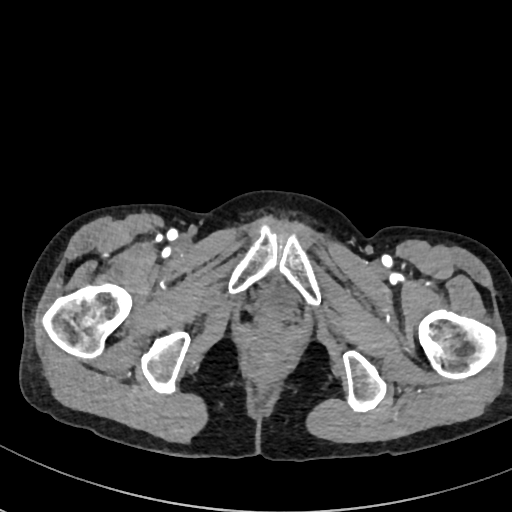 Computed tomography, abdomen — Axial slice 18/207 — 512x512 px
{"organs":{"bladder":[256,276,297,312]}}